Abdominal CT; this slice is in the lower chest, just above the liver. axial view. soft-tissue window. 15 organs annotated in this scan (a whole-scan count: organs this slice does not pass through have no box)
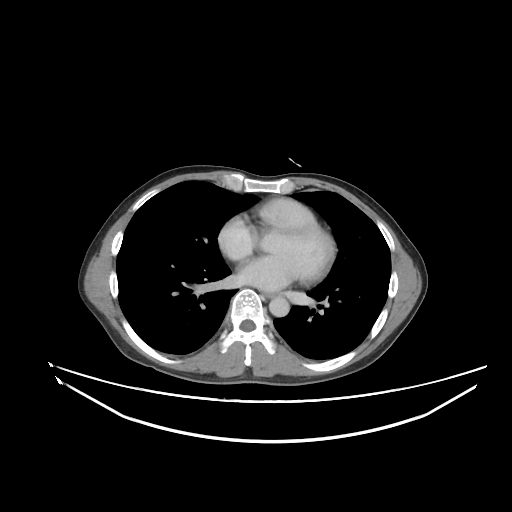
Of the structures in the chest, this dataset labels only the esophagus, the aorta and the inferior vena cava; the heart and lungs have no label. Coordinates as <box>x1,y1,x2,y2</box> in pixels. The annotated organs in this slice are: esophagus at <box>264,293,272,297</box>, aorta at <box>269,296,289,317</box>.